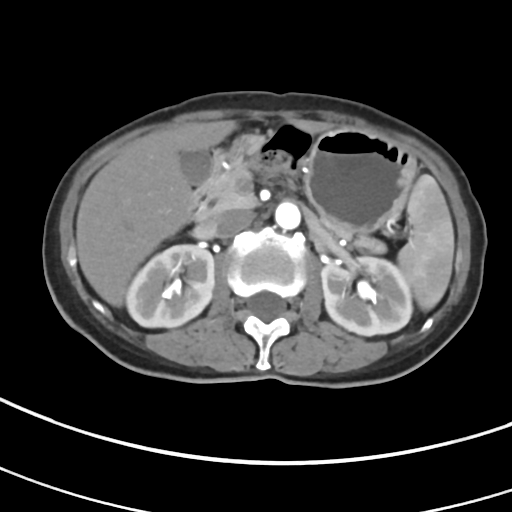 CT, abdomen/pelvis; Axial slice 57/118; 512x512 px; 15 organs annotated in this scan (counted over the whole 3D scan, not this slice; an organ is boxed only where this slice passes through it)
{"organs":{"spleen":[397,174,454,310],"right kidney":[126,245,214,327],"left kidney":[321,256,412,336],"gall bladder":[179,151,213,185],"liver":[76,119,328,306],"stomach":[240,128,415,232],"aorta":[274,202,300,230],"inferior vena cava":[206,209,253,239],"pancreas":[194,155,385,252],"duodenum":[190,137,258,218]}}